CT abdomen. Axial slice 175/236. soft-tissue window (W 400 / L 40). 15 organs annotated in this scan (that count is for the whole scan; organs this slice misses have no box)
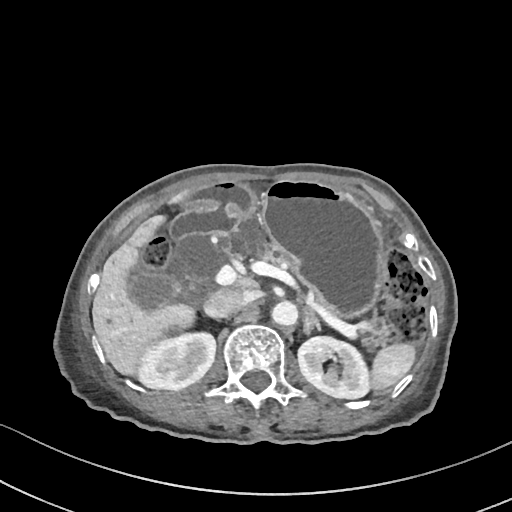
{"organs":{"right kidney":[136,328,215,390],"duodenum":[171,209,237,238],"left kidney":[298,336,370,398],"liver":[92,193,194,374],"inferior vena cava":[204,288,254,317],"pancreas":[224,216,390,345],"gall bladder":[128,275,172,311],"stomach":[183,181,387,315],"left adrenal gland":[304,308,320,334],"aorta":[271,301,297,326],"spleen":[371,343,415,391]}}